CT abdomen; axial view; soft-tissue window (W 400 / L 40)
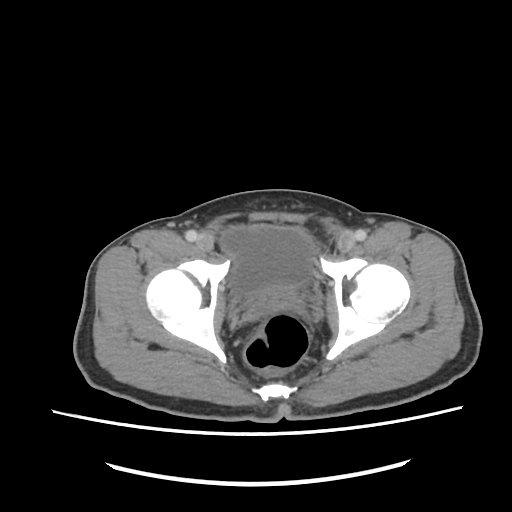
<organs><organ name="bladder" x1="221" y1="225" x2="314" y2="295"/><organ name="prostate/uterus" x1="262" y1="287" x2="294" y2="297"/></organs>